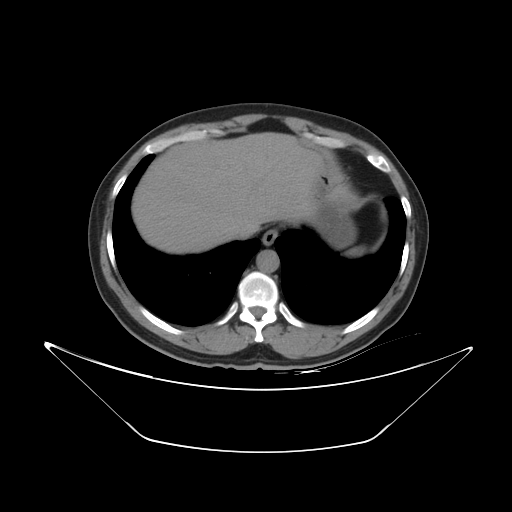 Abdominal CT; Axial slice 80/83; abdomen soft-tissue window
{"organs":{"spleen":[346,246,364,255],"esophagus":[262,229,277,245],"liver":[131,132,325,254],"stomach":[309,167,356,248],"aorta":[256,249,279,272],"inferior vena cava":[227,221,252,239]}}